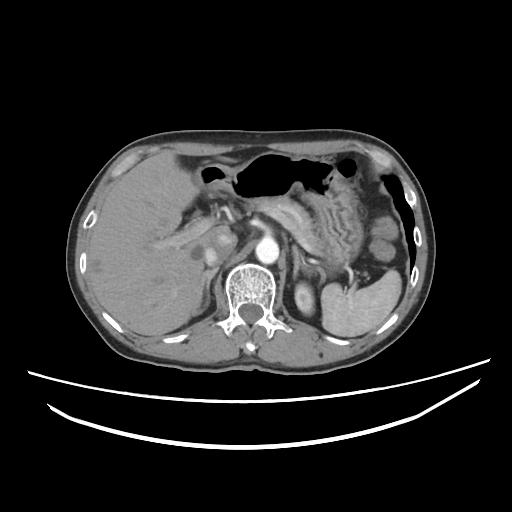
Abdominal CT; Axial slice 42/109; W/L 400/40 HU; 63-year-old male patient
Boxes: x1 y1 x2 y2 (pixel coords, space-separated). The annotated organs in this slice are: inferior vena cava at 203 233 236 266, spleen at 321 269 401 337, aorta at 255 238 279 264, stomach at 194 151 362 267, pancreas at 251 199 324 256, left adrenal gland at 292 245 304 278, liver at 88 150 234 335, right adrenal gland at 192 267 218 314, left kidney at 295 283 314 315.